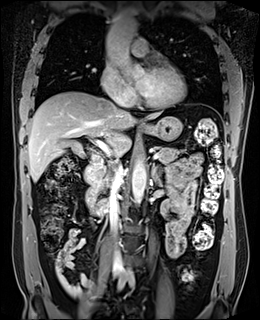

MRI, abdomen. Coronal slice 77/144
<organs><organ name="gall bladder" x1="69" y1="141" x2="86" y2="158"/><organ name="liver" x1="28" y1="91" x2="162" y2="181"/><organ name="stomach" x1="140" y1="116" x2="182" y2="141"/><organ name="aorta" x1="106" y1="17" x2="145" y2="77"/><organ name="aorta" x1="132" y1="157" x2="146" y2="204"/><organ name="inferior vena cava" x1="109" y1="164" x2="122" y2="274"/><organ name="pancreas" x1="96" y1="146" x2="181" y2="193"/><organ name="left adrenal gland" x1="151" y1="163" x2="162" y2="181"/><organ name="duodenum" x1="84" y1="154" x2="108" y2="216"/></organs>